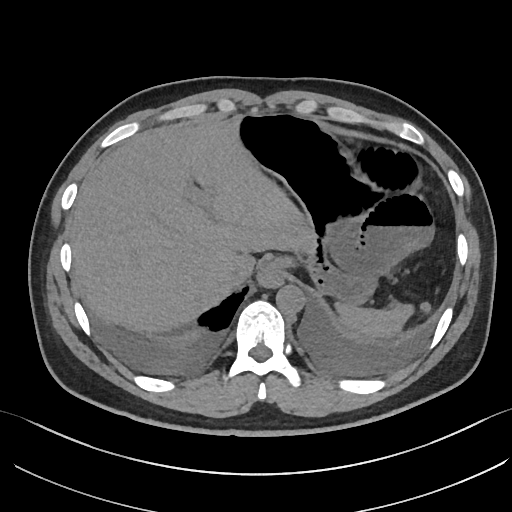

Computed tomography, abdomen; Axial slice 201/234; 512x512 px; SOMATOM Force scanner; 15 organs annotated in this scan (that count is for the whole scan; organs this slice misses have no box)
Boxes are (x1, y1, x2, y2) in pixels. 6 labeled organs on this slice — liver at (69, 119, 314, 333); inferior vena cava at (218, 264, 243, 287); spleen at (335, 302, 413, 338); aorta at (276, 285, 304, 314); esophagus at (259, 258, 286, 286); stomach at (236, 111, 381, 303).